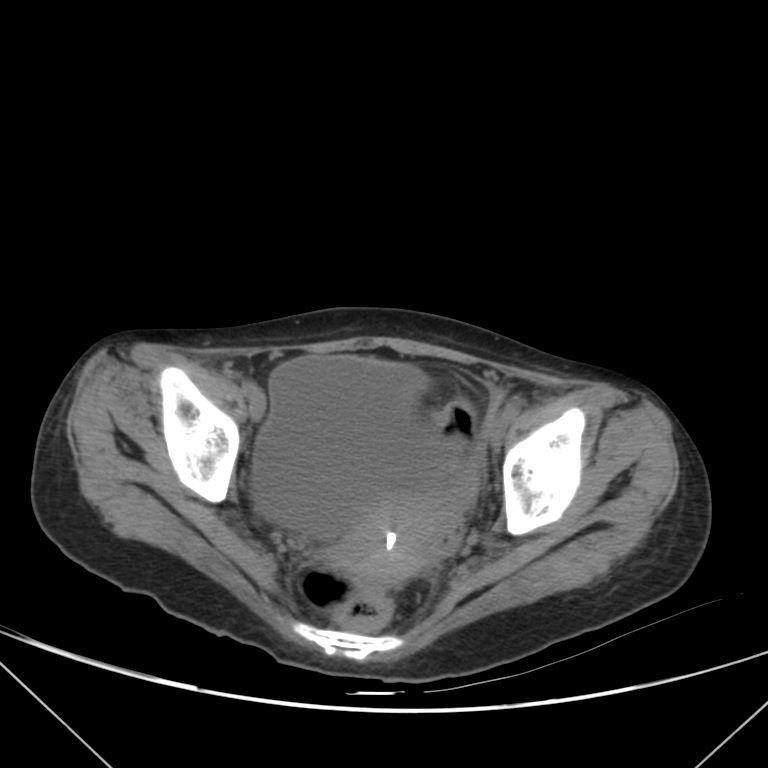
CT abdomen — Axial slice 22/94
<organs><organ name="prostate/uterus" x1="335" y1="501" x2="459" y2="583"/><organ name="bladder" x1="250" y1="355" x2="459" y2="535"/></organs>